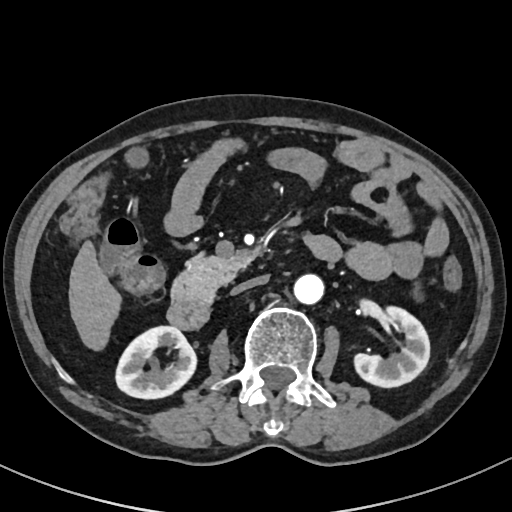
CT, abdomen/pelvis — Axial slice 145/303 — abdomen soft-tissue window
Boxes are (x1, y1, x2, y2) in pixels. 7 labeled organs on this slice — left kidney at (355, 304, 430, 387); aorta at (294, 273, 325, 303); duodenum at (167, 297, 210, 330); right kidney at (116, 327, 195, 398); inferior vena cava at (231, 276, 267, 294); pancreas at (173, 257, 252, 298); liver at (69, 242, 118, 349).